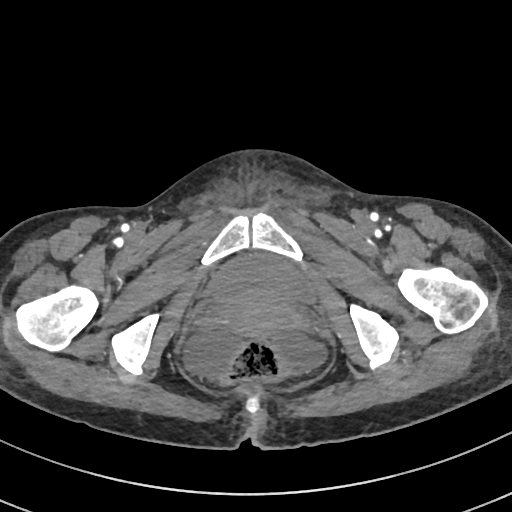
Computed tomography, abdomen. axial view. acquired on SOMATOM Force. 15 organs annotated in this scan (counted over the whole 3D scan, not this slice; an organ is boxed only where this slice passes through it)
Coordinates as <box>x1,y1,x2,y2</box> in pixels.
Organ bounding boxes:
- bladder: <box>206,253,314,303</box>